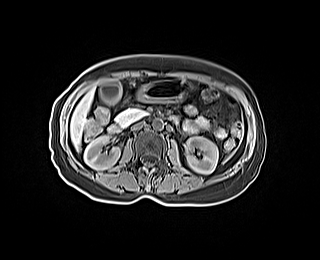

MRI, abdomen; axial view; 1st–99th percentile window
<organs><organ name="right kidney" x1="84" y1="135" x2="120" y2="169"/><organ name="left kidney" x1="186" y1="136" x2="218" y2="173"/><organ name="gall bladder" x1="99" y1="78" x2="121" y2="104"/><organ name="liver" x1="70" y1="90" x2="93" y2="151"/><organ name="stomach" x1="137" y1="79" x2="190" y2="101"/><organ name="aorta" x1="152" y1="119" x2="163" y2="130"/><organ name="inferior vena cava" x1="131" y1="121" x2="144" y2="130"/><organ name="pancreas" x1="115" y1="108" x2="147" y2="125"/><organ name="duodenum" x1="108" y1="114" x2="178" y2="132"/></organs>